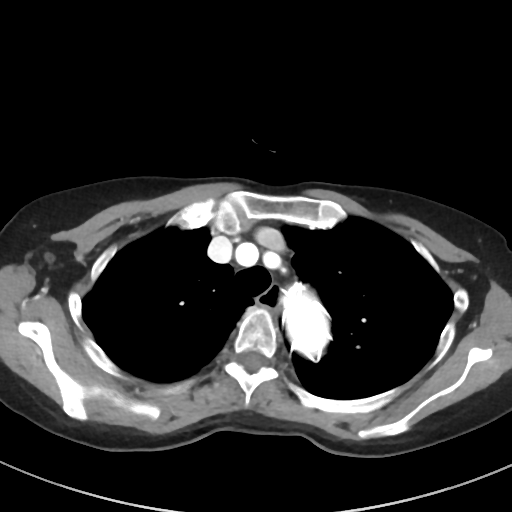

Abdominal CT reaching into the chest; this slice is in the chest. axial view. 512x512 px. SOMATOM Force scanner. scan has 15 labeled organs (counted over the whole 3D scan, not this slice; an organ is boxed only where this slice passes through it)
At this level of the chest no structure but the esophagus and the aorta has a label in this dataset, and those two are boxed only where they are labeled.
Boxes: x1:y1:x2:y2 in pixels.
esophagus: 253:286:282:310
aorta: 283:285:327:351